CT, abdomen/pelvis · axial view · 768x768 px · 56-year-old male patient
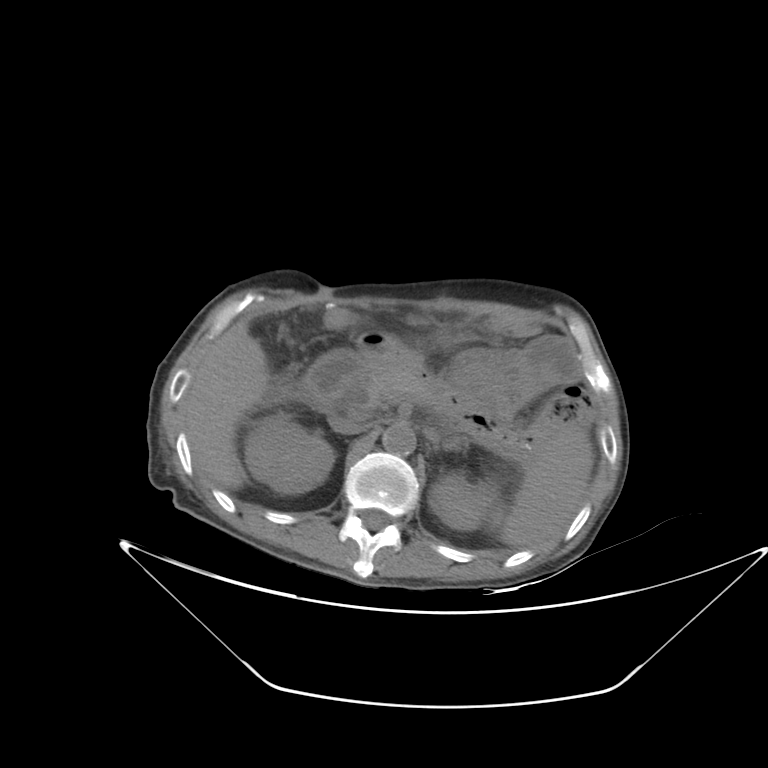
{"organs":{"spleen":[498,430,593,547],"right kidney":[245,414,334,494],"left kidney":[428,472,501,530],"liver":[183,319,269,489],"stomach":[359,328,460,363],"aorta":[382,424,415,455],"inferior vena cava":[329,417,366,434],"pancreas":[363,360,451,409],"duodenum":[302,345,387,413]}}